Abdominal MR. axial view. Prisma scanner
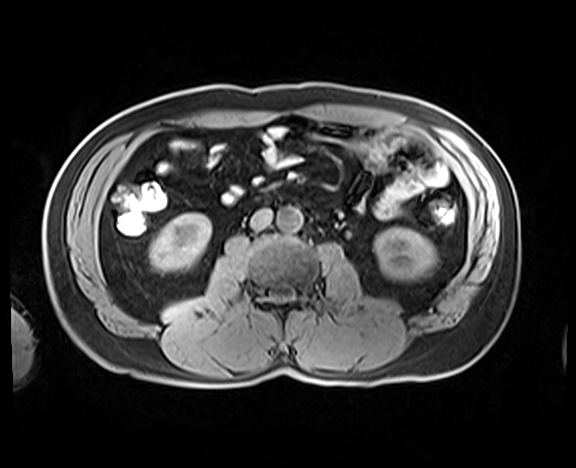 Coordinates as <box>x1,y1,x2,y2</box> in pixels. The annotated organs in this slice are: aorta at <box>276,207,302,232</box>, inferior vena cava at <box>250,209,271,230</box>, right kidney at <box>149,213,211,271</box>, left kidney at <box>374,227,436,281</box>.